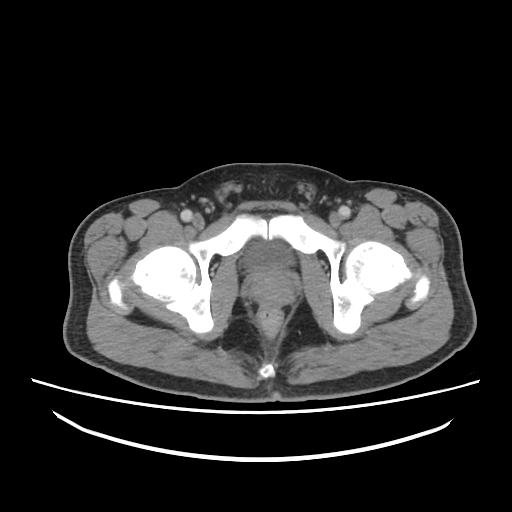
CT abdomen — axial view — soft-tissue window (W 400 / L 40)
Coordinates as <box>x1,y1,x2,y2</box> in pixels.
Organ bounding boxes:
- prostate/uterus: <box>249,269,293,306</box>
- bladder: <box>245,242,292,270</box>